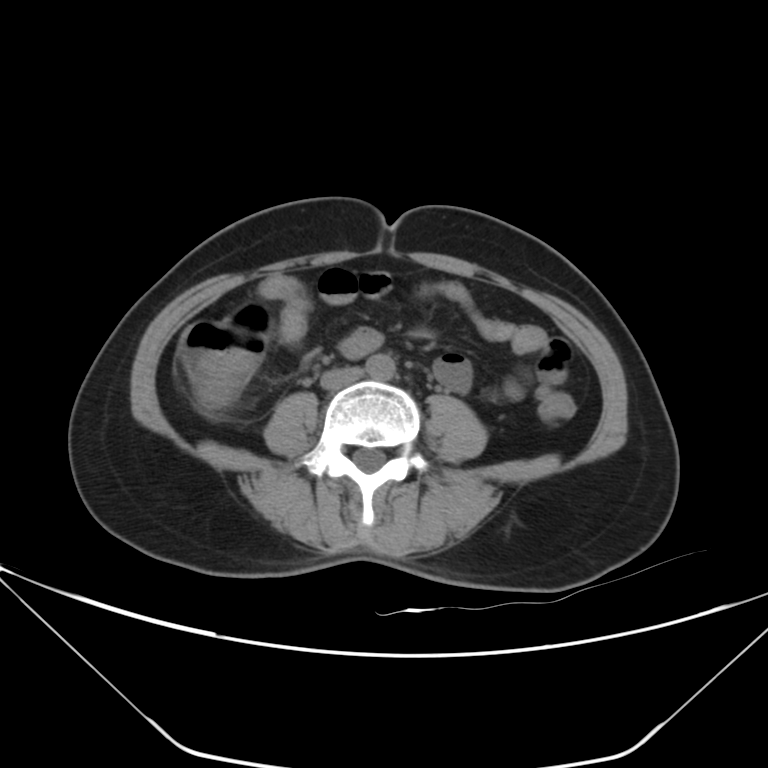

Computed tomography, abdomen. axial view. abdomen soft-tissue window
Box edges are left/top/right/bottom in pixels.
Organ bounding boxes:
- aorta: left=365, top=354, right=396, bottom=380
- inferior vena cava: left=319, top=367, right=363, bottom=389